Abdominal CT — axial plane, index 51 — 512x512 px — 66-year-old male patient — Aquilion ONE scanner
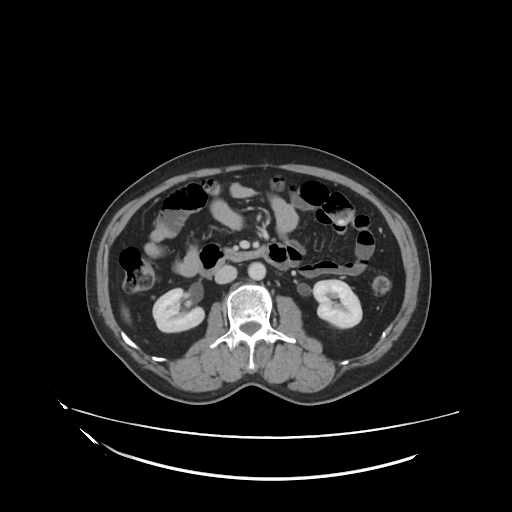

Each box given as x1,y1,x2,y2.
inferior vena cava: x1=214, y1=267, x2=237, y2=283
aorta: x1=247, y1=262, x2=265, y2=280
liver: x1=123, y1=309, x2=127, y2=318
pancreas: x1=224, y1=250, x2=254, y2=261
left kidney: x1=312, y1=280, x2=362, y2=327
right kidney: x1=154, y1=287, x2=205, y2=332
duodenum: x1=198, y1=242, x2=293, y2=278